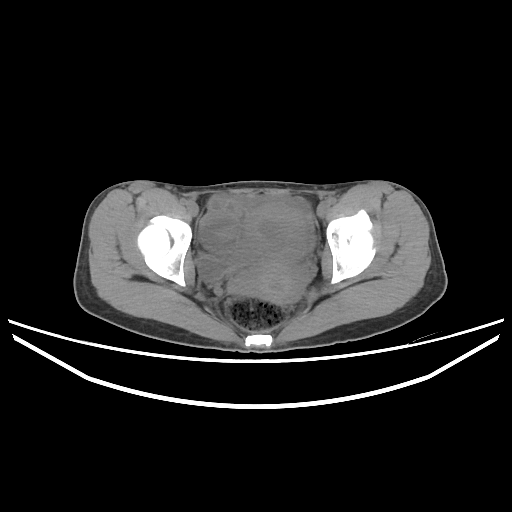 Abdominal CT · axial plane, index 16 · soft-tissue window (W 400 / L 40) · 31-year-old female patient
<organs><organ name="bladder" x1="195" y1="255" x2="235" y2="279"/><organ name="prostate/uterus" x1="245" y1="200" x2="308" y2="301"/></organs>